Computed tomography, abdomen — axial plane, index 78
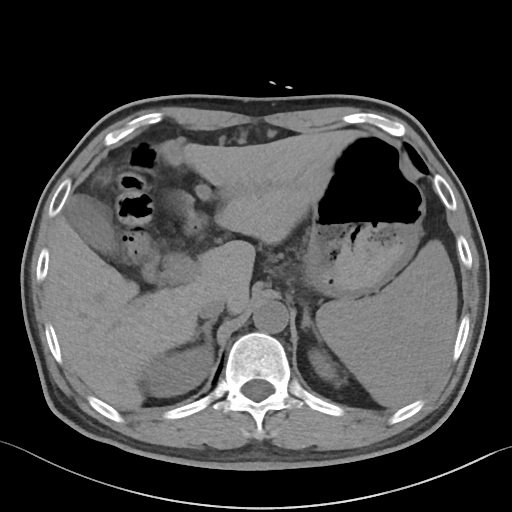
One row per box, in pixels: columns x1 and y1 give the top-left corner, x2 and y2 the bottom-right.
| organ | x1 | y1 | x2 | y2 |
|---|---|---|---|---|
| spleen | 316 | 240 | 457 | 407 |
| right kidney | 145 | 346 | 213 | 396 |
| left kidney | 309 | 348 | 337 | 382 |
| gall bladder | 64 | 194 | 158 | 280 |
| liver | 45 | 130 | 447 | 410 |
| stomach | 303 | 133 | 425 | 299 |
| aorta | 253 | 300 | 288 | 333 |
| inferior vena cava | 198 | 297 | 225 | 319 |
| right adrenal gland | 193 | 319 | 216 | 345 |
| left adrenal gland | 301 | 307 | 319 | 338 |
| duodenum | 186 | 217 | 204 | 232 |